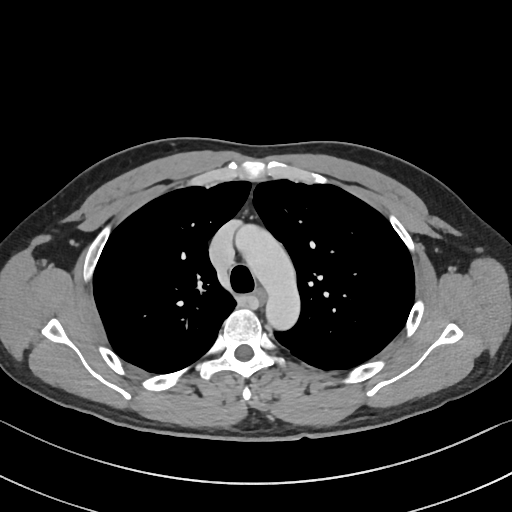
CT of the abdomen extending into the chest, slice through the chest. Axial slice 250/291. soft-tissue window, W/L 400/40. 512x512 px. acquired on SOMATOM Force
On a slice this high in the chest, this dataset labels only the esophagus and the aorta, and each is boxed only where it is labeled; the heart, lungs and other chest structures are not labeled. Each box given as x1,y1,x2,y2. 2 labeled organs on this slice — esophagus at x1=255, y1=289, x2=266, y2=301; aorta at x1=235, y1=224, x2=299, y2=329.